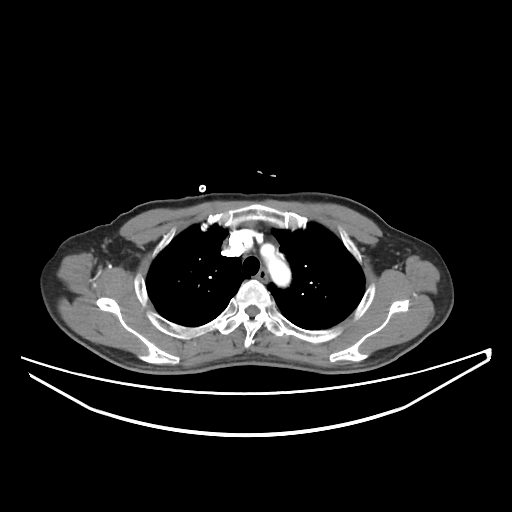 Abdominal CT reaching into the chest; this slice is in the chest · axial plane, index 108 · 512x512 px · acquired on Aquilion ONE
On a slice this high in the chest, this dataset labels only the esophagus and the aorta, and each is boxed only where it is labeled; the heart, lungs and other chest structures are not labeled.
Boxes are (x1, y1, x2, y2) in pixels.
aorta: (261, 244, 290, 286)
esophagus: (257, 269, 267, 282)